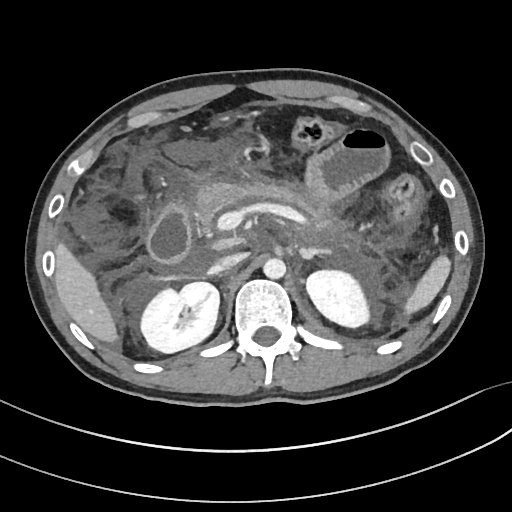 CT abdomen. Axial slice 167/251
Boxes: x1 y1 x2 y2 (pixel coords, space-separated).
right kidney: 141 282 219 353
aorta: 263 257 285 278
spleen: 404 255 450 314
duodenum: 147 201 190 261
inferior vena cava: 209 253 244 273
left adrenal gland: 299 247 334 258
liver: 55 243 118 342
left kidney: 306 270 369 327
pancreas: 196 183 331 228